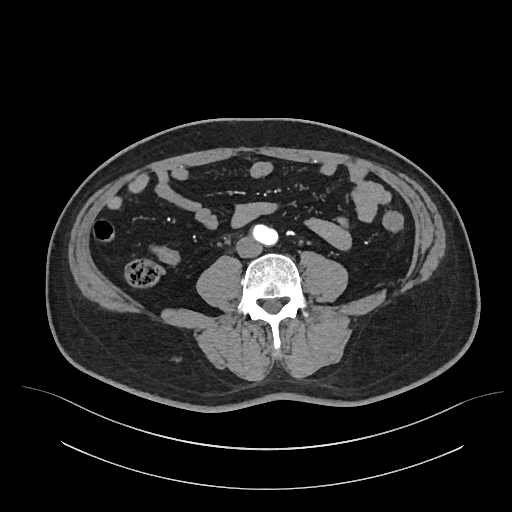 CT abdomen; axial view
<organs><organ name="aorta" x1="251" y1="224" x2="278" y2="245"/><organ name="inferior vena cava" x1="237" y1="236" x2="262" y2="257"/></organs>